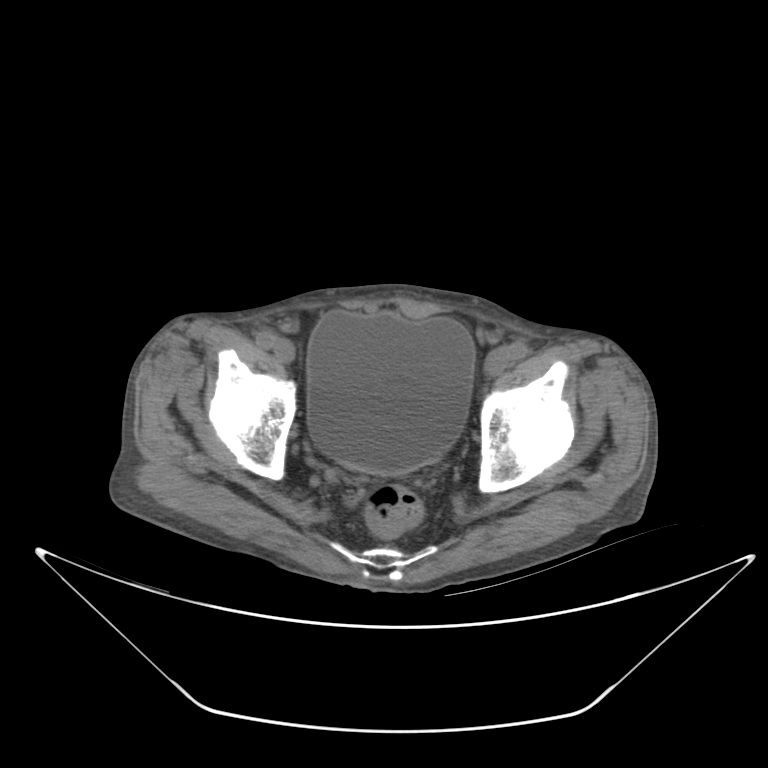
Computed tomography, abdomen. axial view. W/L 400/40 HU. 768x768 px
<organs><organ name="bladder" x1="307" y1="312" x2="473" y2="474"/></organs>